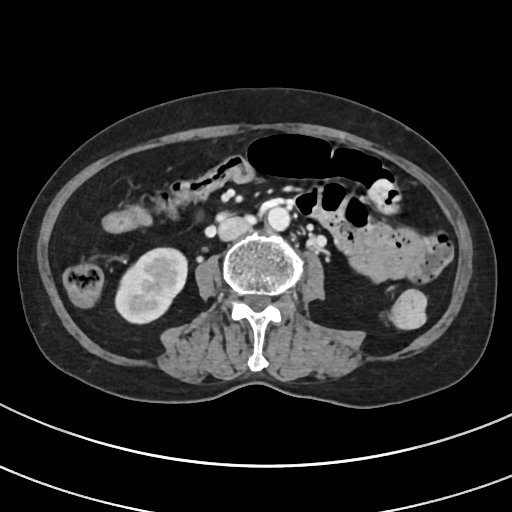
Computed tomography, abdomen · axial view · 15 organs annotated in this scan (that count is for the whole scan; organs this slice misses have no box)
Bounding boxes in pixels, one row per box: x1, y1 is the top-left corner and x2, y2 the bottom-right.
| organ | x1 | y1 | x2 | y2 |
|---|---|---|---|---|
| right kidney | 115 | 248 | 186 | 324 |
| aorta | 266 | 206 | 290 | 230 |
| inferior vena cava | 219 | 216 | 251 | 240 |